CT abdomen — axial view — abdomen soft-tissue window — Brilliance16 scanner — scan has 15 labeled organs (counted over the whole 3D scan, not this slice; an organ is boxed only where this slice passes through it)
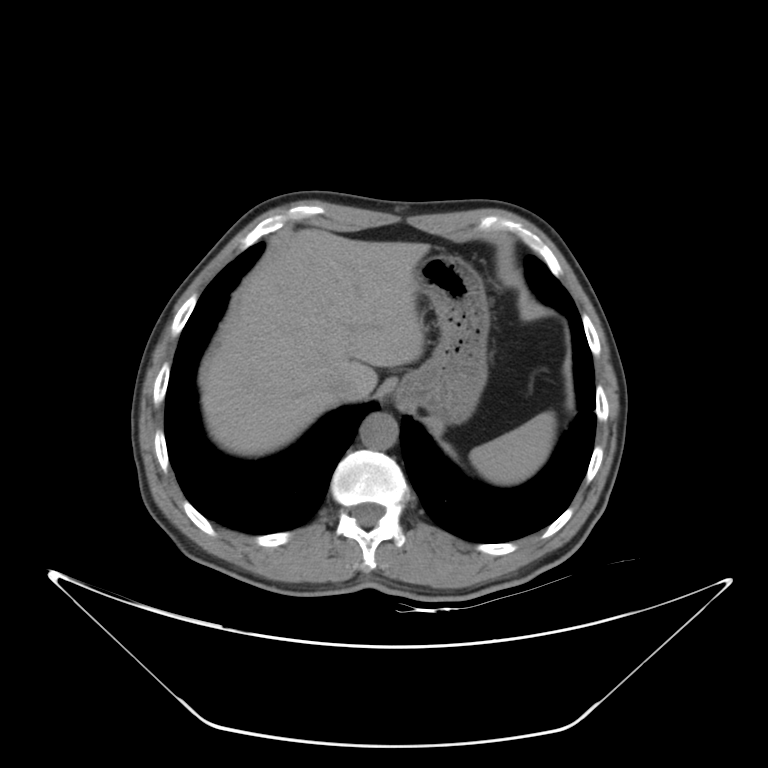 {"organs":{"spleen":[469,411,556,484],"liver":[206,229,429,455],"stomach":[396,253,490,424],"aorta":[360,412,398,450],"inferior vena cava":[329,372,359,400]}}